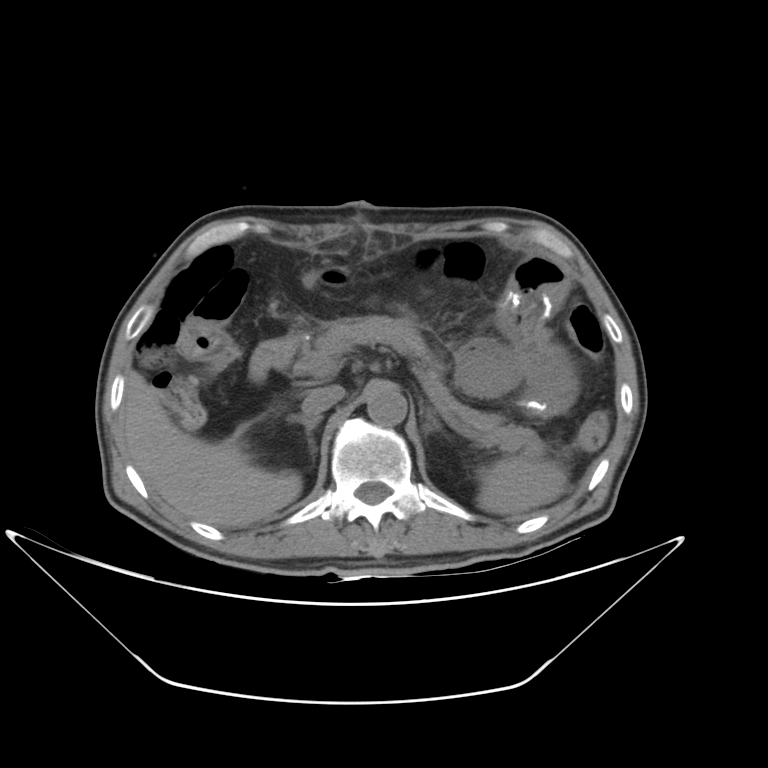

Abdominal CT · Axial slice 74/104 · 65-year-old male patient
Bounding boxes as [x1, y1, x2, y2] in pixel coordinates.
Organ bounding boxes:
- spleen: [477, 455, 567, 517]
- liver: [123, 371, 302, 525]
- stomach: [456, 339, 521, 394]
- aorta: [366, 384, 407, 425]
- inferior vena cava: [301, 385, 345, 416]
- pancreas: [298, 315, 543, 454]
- right adrenal gland: [289, 415, 323, 457]
- left adrenal gland: [423, 407, 441, 433]
- duodenum: [249, 333, 307, 382]